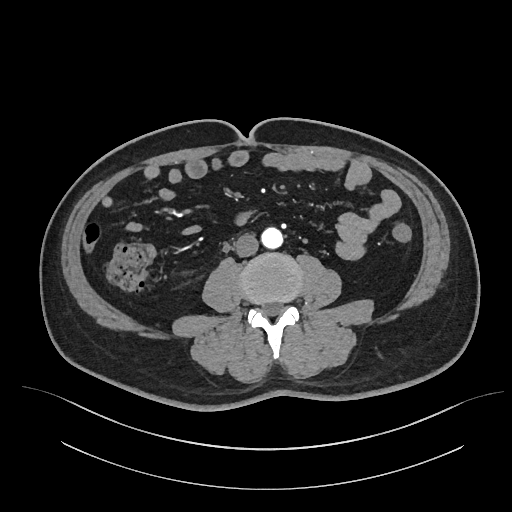

Abdominal CT; axial view; 512x512 px; SOMATOM Force scanner
Boxes: x1:y1:x2:y2 in pixels. Labeled organs on this slice: aorta at 261:227:282:248, inferior vena cava at 235:234:258:256.